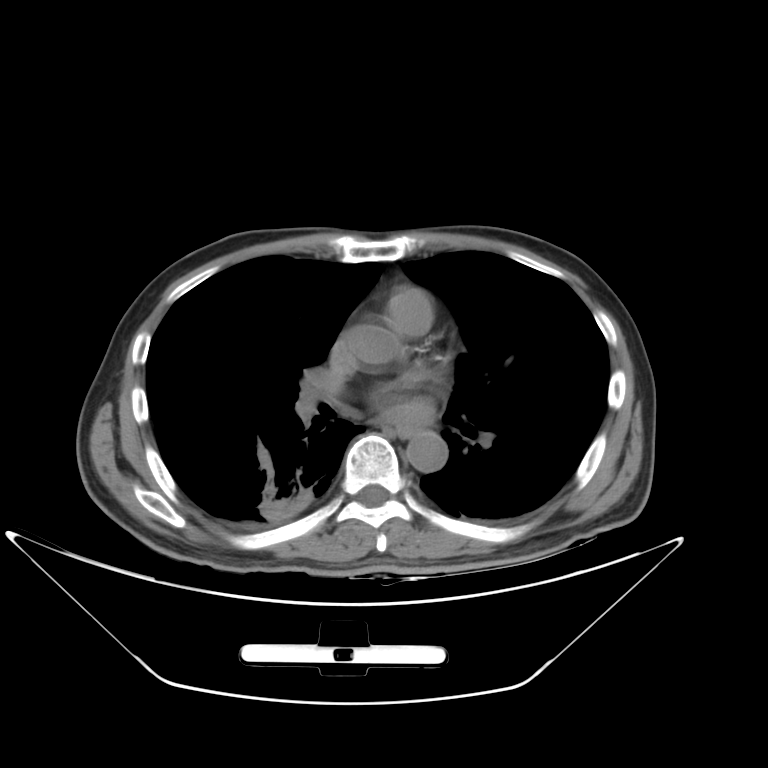

Abdominal CT; this slice is in the lower chest, just above the liver — axial view — soft-tissue window — Brilliance16 scanner
Of the structures in the chest, this dataset labels only the esophagus, the aorta and the inferior vena cava; the heart and lungs have no label.
Box edges are left/top/right/bottom in pixels.
aorta: left=406, top=430, right=448, bottom=472
esophagus: left=396, top=425, right=421, bottom=435